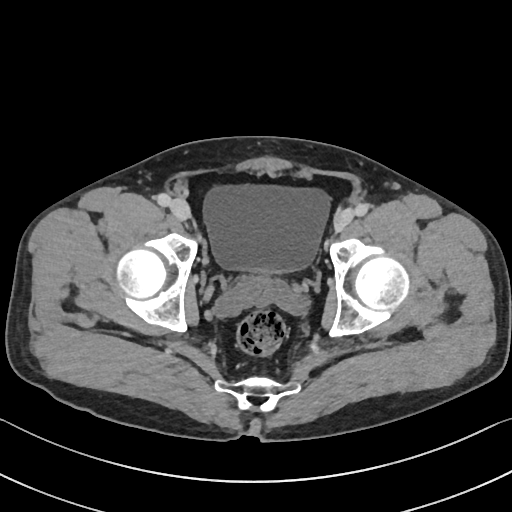

CT abdomen — axial view — abdomen soft-tissue window — 15 organs annotated in this scan (that count is for the whole scan; organs this slice misses have no box)
{"organs":{"bladder":[203,184,332,271]}}